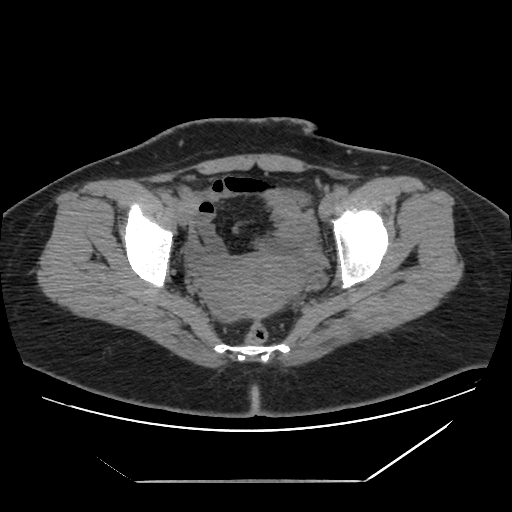 CT abdomen. Axial slice 51/345. acquired on SOMATOM Force
Boxes: x1:y1:x2:y2 in pixels.
Organ bounding boxes:
- prostate/uterus: 210:254:301:317